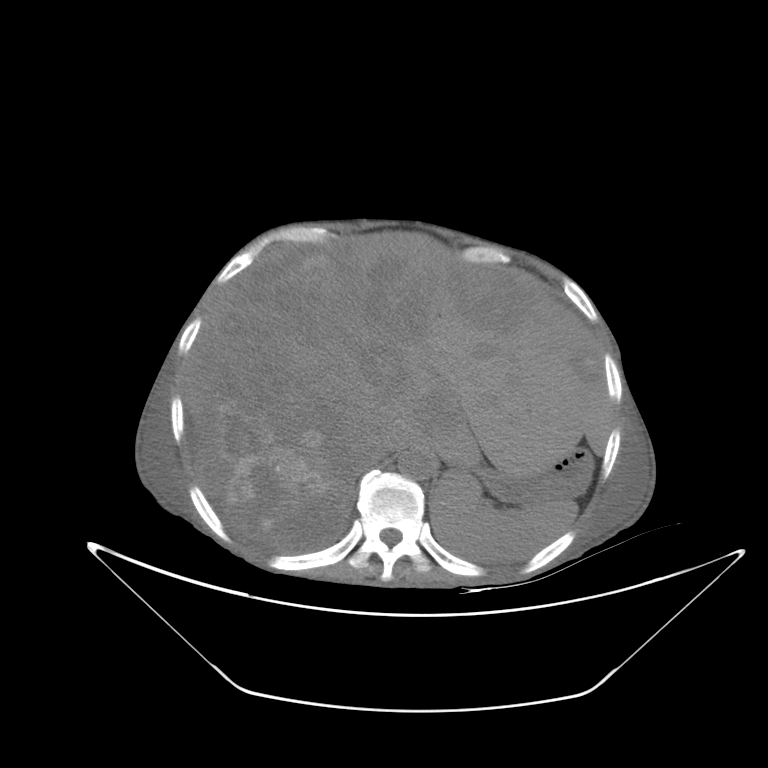
CT abdomen · axial view · soft-tissue window (W 400 / L 40) · 56-year-old male patient · 15 organs annotated in this scan (a whole-scan count: organs this slice does not pass through have no box)
Each box given as x1,y1,x2,y2.
Organ bounding boxes:
- spleen: x1=429, y1=469, x2=579, y2=562
- liver: x1=186, y1=235, x2=610, y2=551
- stomach: x1=482, y1=448, x2=590, y2=502
- aorta: x1=397, y1=448, x2=436, y2=480
- inferior vena cava: x1=369, y1=435, x2=410, y2=463